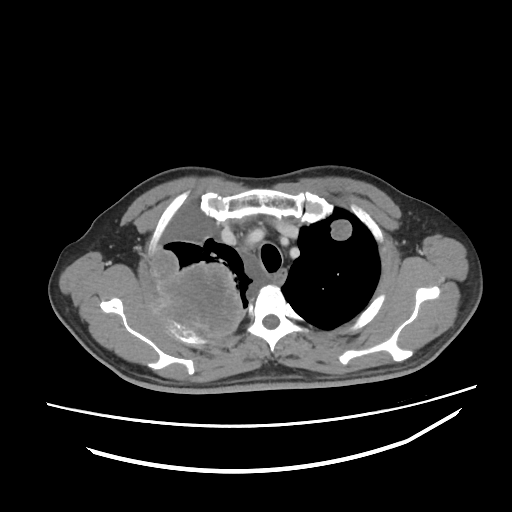 Chest-level slice from an abdominal CT that extends up into the chest. axial view. soft-tissue window (W 400 / L 40). 512x512 px. acquired on Aquilion ONE. scan has 15 labeled organs (that count is for the whole scan; organs this slice misses have no box)
At this level of the chest no structure but the esophagus and the aorta has a label in this dataset, and those two are boxed only where they are labeled.
Boxes: x1:y1:x2:y2 in pixels.
Organ bounding boxes:
- esophagus: 274:268:287:285